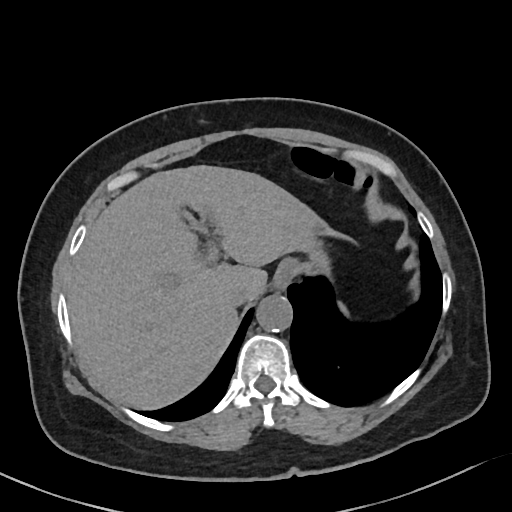
CT, abdomen/pelvis · Axial slice 164/192
Boxes: x1:y1:x2:y2 in pixels. The annotated organs in this slice are: spleen at 339:303:346:312, aorta at 256:294:292:331, esophagus at 274:258:299:289, inferior vena cava at 226:284:256:305, liver at 67:165:345:409.